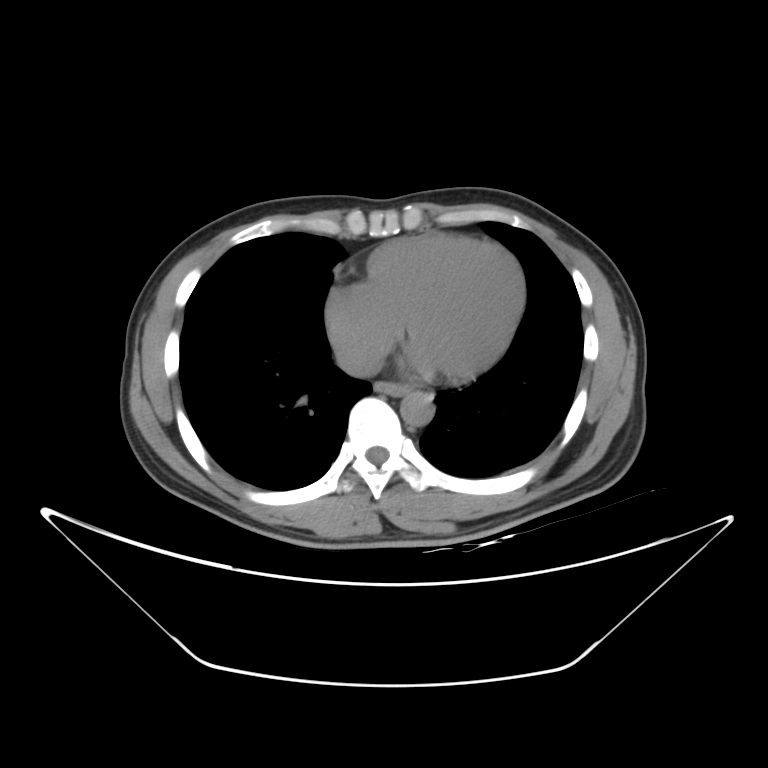 Lower-chest slice from an abdominal CT, just above the liver and spleen. axial view. soft-tissue window, W/L 400/40. 768x768 px. 37-year-old male patient. acquired on Brilliance16
No part of the heart or lungs is labeled in this dataset, so neither has a box here.
Boxes: x1 y1 x2 y2 (pixel coords, space-separated).
Organ bounding boxes:
- esophagus: 373 381 408 397
- aorta: 400 391 434 427
- inferior vena cava: 335 340 382 377